CT of the abdomen reaching into the lower chest, slice just above the liver and spleen. Axial slice 86/90. acquired on Brilliance16
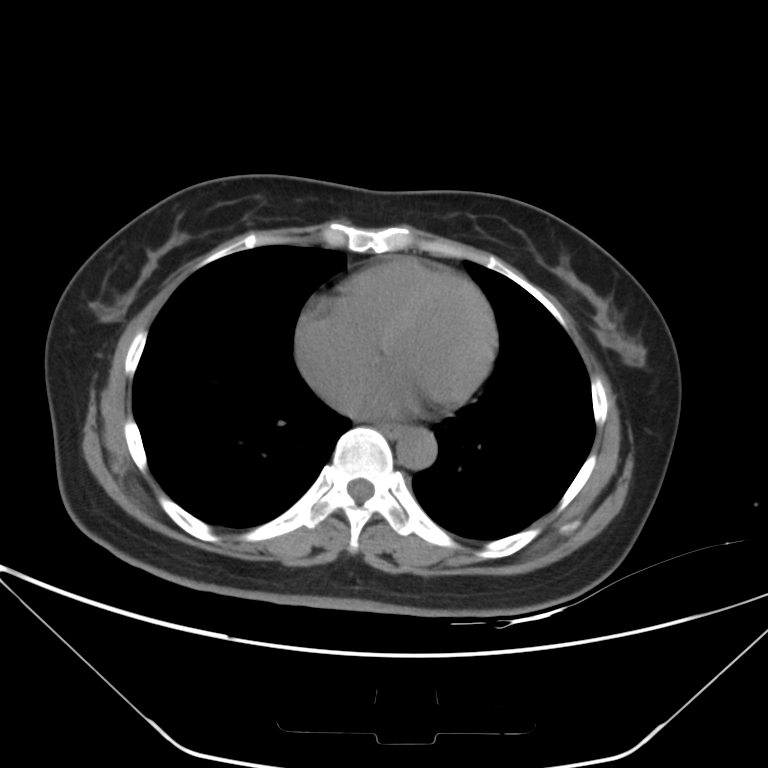

The heart and lungs are never labeled in this dataset, so they have no box on this slice.
Bounding boxes in pixels, one row per box: x1, y1 is the top-left corner and x2, y2 the bottom-right.
| organ | x1 | y1 | x2 | y2 |
|---|---|---|---|---|
| esophagus | 376 | 421 | 402 | 439 |
| aorta | 397 | 428 | 437 | 470 |